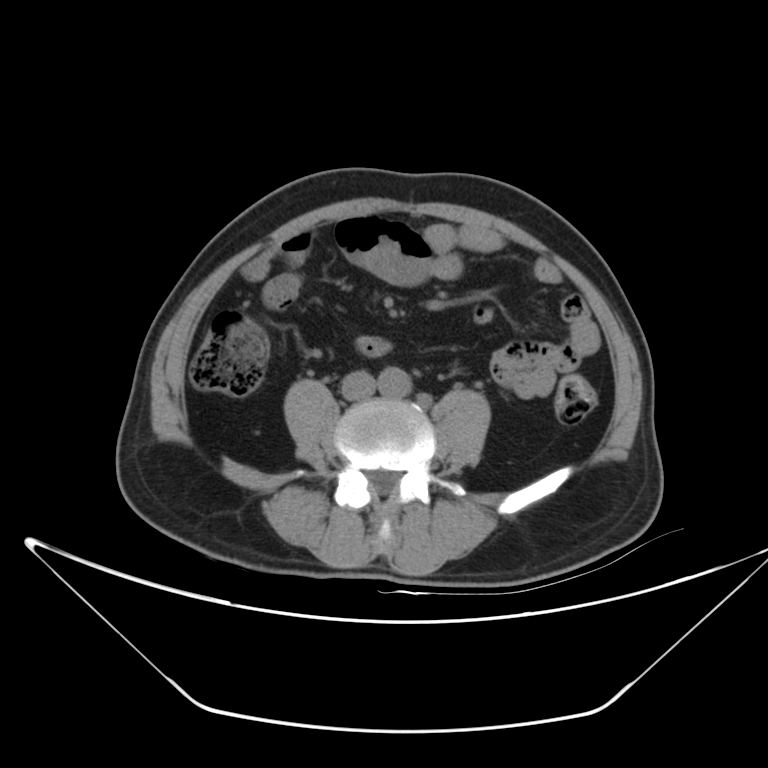 Computed tomography, abdomen. axial view
{"organs":{"aorta":[377,367,411,399],"inferior vena cava":[341,370,374,400]}}